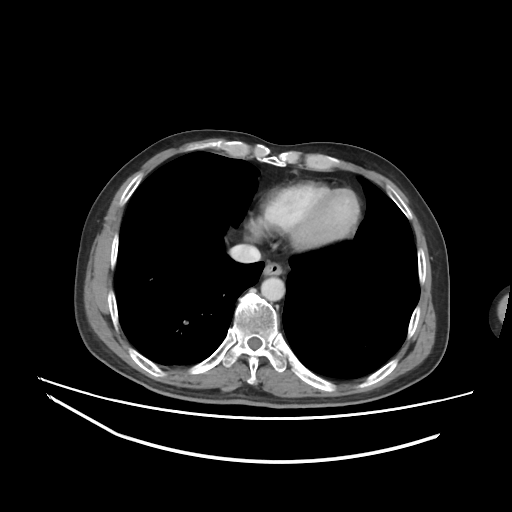 Abdominal CT; this slice is in the lower chest, just above the liver; axial view; 54-year-old male patient; acquired on Aquilion ONE
No part of the heart or lungs is labeled in this dataset, so neither has a box here.
Boxes are (x1, y1, x2, y2) in pixels.
Organ bounding boxes:
- esophagus: (263, 261, 283, 275)
- aorta: (261, 276, 284, 301)
- inferior vena cava: (229, 244, 261, 263)